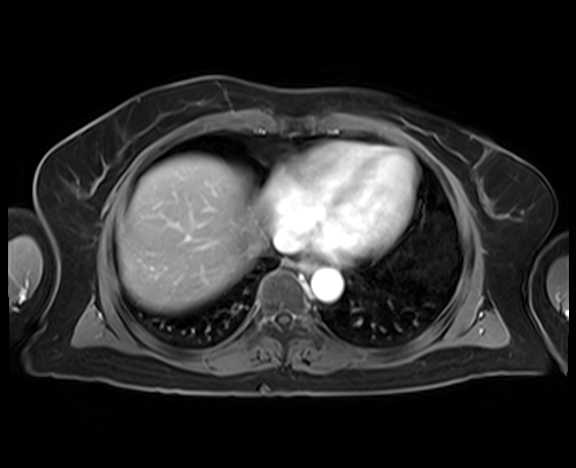
Abdominal MRI; axial view; percentile-normalized; Prisma scanner
Bounding boxes in pixels, one row per box: x1, y1 is the top-left corner and x2, y2 the bottom-right.
| organ | x1 | y1 | x2 | y2 |
|---|---|---|---|---|
| esophagus | 299 | 261 | 314 | 272 |
| liver | 118 | 155 | 266 | 311 |
| aorta | 311 | 269 | 343 | 301 |
| inferior vena cava | 273 | 229 | 300 | 252 |